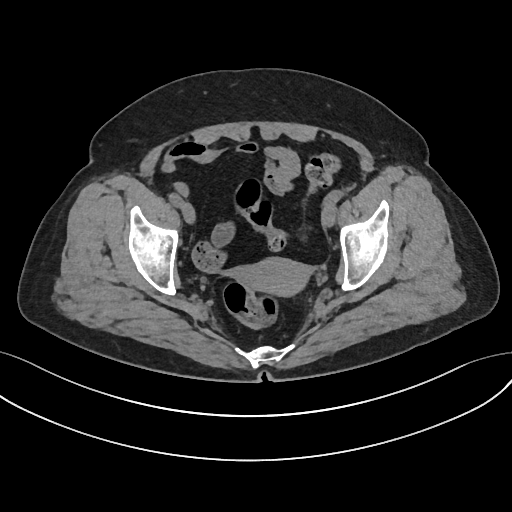
CT, abdomen/pelvis — axial plane, index 36 — W/L 400/40 HU — SOMATOM Force scanner
Coordinates as <box>x1,y1,x2,y2</box> in pixels.
prostate/uterus: <box>240,257,309,296</box>